Abdominal CT — axial view — soft-tissue window — 15 organs annotated in this scan (a whole-scan count: organs this slice does not pass through have no box)
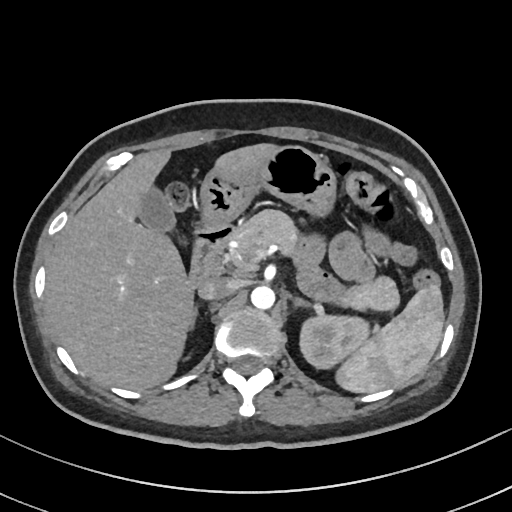

{"organs":{"gall bladder":[140,187,175,233],"left kidney":[300,315,369,369],"spleen":[336,284,444,393],"aorta":[251,285,275,309],"right adrenal gland":[190,306,198,328],"stomach":[200,145,336,224],"left adrenal gland":[292,297,310,307],"duodenum":[190,223,236,283],"liver":[45,143,278,390],"pancreas":[225,210,399,310],"inferior vena cava":[197,277,234,300]}}